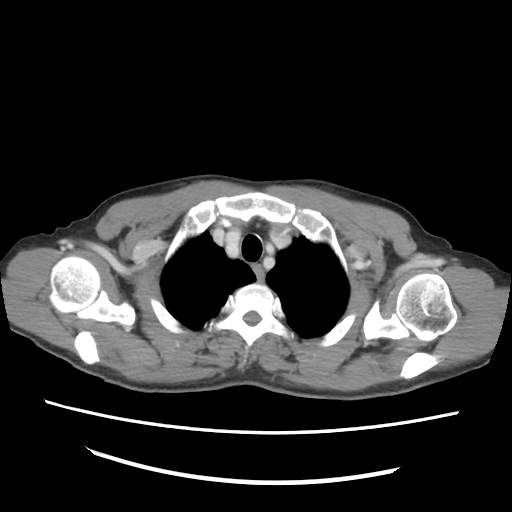

Abdominal CT reaching into the chest; this slice is in the chest; axial view; 15 organs annotated in this scan (counted over the whole 3D scan, not this slice; an organ is boxed only where this slice passes through it)
At this level of the chest no structure but the esophagus and the aorta has a label in this dataset, and those two are boxed only where they are labeled.
Bounding boxes as [x1, y1, x2, y2] in pixel coordinates.
esophagus: [252, 265, 263, 282]